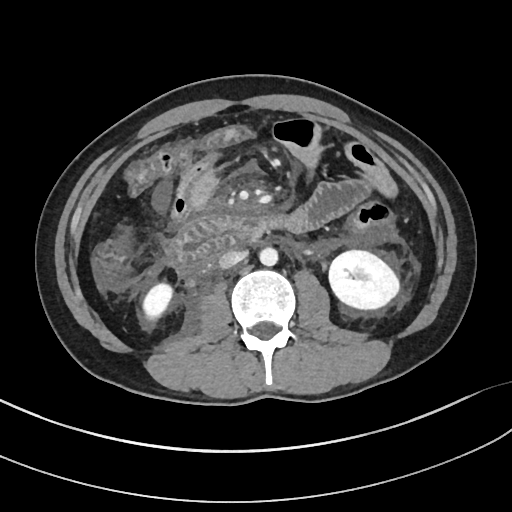 CT, abdomen/pelvis. axial view
<organs><organ name="right kidney" x1="144" y1="282" x2="172" y2="320"/><organ name="left kidney" x1="329" y1="250" x2="400" y2="308"/><organ name="aorta" x1="258" y1="247" x2="277" y2="265"/><organ name="inferior vena cava" x1="219" y1="250" x2="247" y2="268"/><organ name="duodenum" x1="172" y1="216" x2="261" y2="274"/></organs>